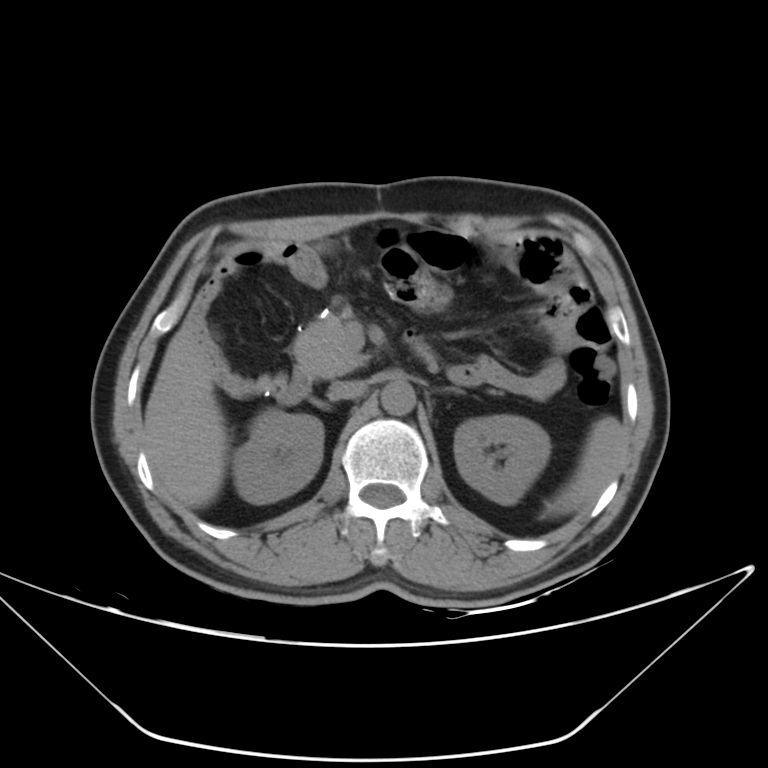
Abdominal CT — axial view — W/L 400/40 HU — 768x768 px — 50-year-old male patient — acquired on Brilliance16
<organs><organ name="spleen" x1="545" y1="417" x2="624" y2="516"/><organ name="right kidney" x1="233" y1="410" x2="323" y2="504"/><organ name="left kidney" x1="454" y1="415" x2="550" y2="505"/><organ name="liver" x1="144" y1="323" x2="227" y2="508"/><organ name="aorta" x1="381" y1="381" x2="415" y2="415"/><organ name="inferior vena cava" x1="328" y1="380" x2="367" y2="400"/><organ name="pancreas" x1="292" y1="316" x2="368" y2="377"/><organ name="left adrenal gland" x1="448" y1="388" x2="461" y2="393"/><organ name="duodenum" x1="273" y1="335" x2="432" y2="404"/></organs>